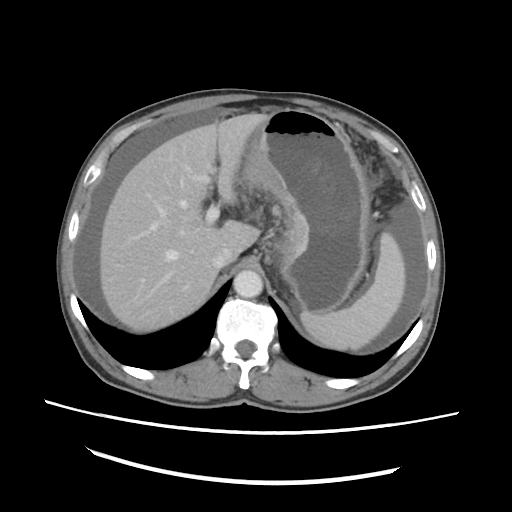 Computed tomography, abdomen; axial view; abdomen soft-tissue window; 512x512 px; acquired on Aquilion ONE
Boxes are (x1, y1, x2, y2) in pixels.
spleen: (300, 232, 405, 350)
liver: (99, 113, 268, 331)
stomach: (241, 109, 369, 313)
aorta: (233, 270, 263, 297)
inferior vena cava: (211, 246, 237, 268)